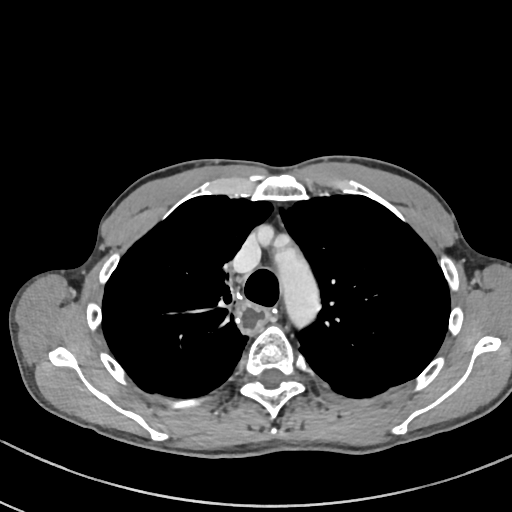
CT of the abdomen extending into the chest, slice through the chest · axial view · soft-tissue window · scan has 15 labeled organs (that count is for the whole scan; organs this slice misses have no box)
At this level of the chest no structure but the esophagus and the aorta has a label in this dataset, and those two are boxed only where they are labeled.
Coordinates as <box>x1,y1,x2,y2</box> in pixels.
Organ bounding boxes:
- esophagus: <box>237,299,270,334</box>
- aorta: <box>281,259,318,321</box>